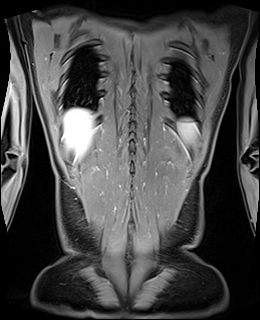

MRI, abdomen — coronal view — 260x320 px
Bounding boxes in pixels, one row per box: x1, y1 is the top-left corner and x2, y2 the bottom-right.
| organ | x1 | y1 | x2 | y2 |
|---|---|---|---|---|
| liver | 63 | 108 | 95 | 158 |
| spleen | 178 | 119 | 197 | 143 |